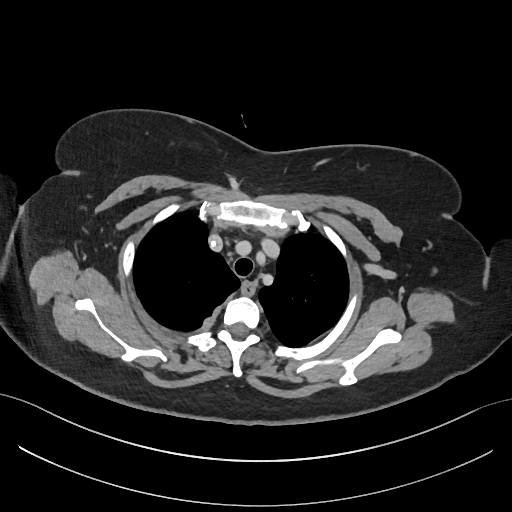 Abdominal CT reaching into the chest; this slice is in the chest; axial view; soft-tissue window (W 400 / L 40); 512x512 px
On a slice this high in the chest, this dataset labels only the esophagus and the aorta, and each is boxed only where it is labeled; the heart, lungs and other chest structures are not labeled.
<organs><organ name="esophagus" x1="241" y1="282" x2="255" y2="294"/></organs>